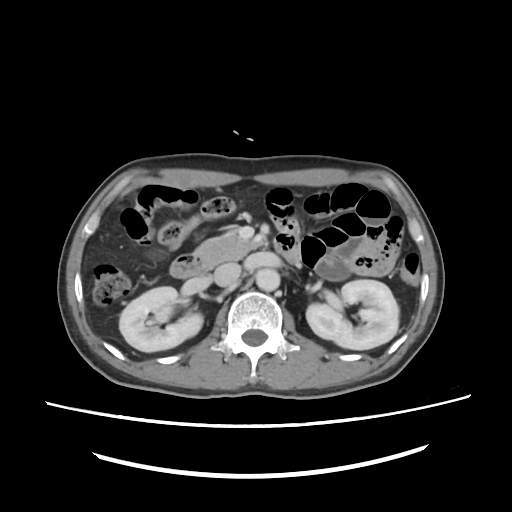 CT abdomen · axial plane, index 64 · 512x512 px · 45-year-old male patient
{"organs":{"duodenum":[171,253,209,276],"inferior vena cava":[215,263,241,285],"right kidney":[119,286,202,352],"aorta":[255,269,279,291],"pancreas":[199,232,256,264],"left kidney":[305,279,398,349]}}